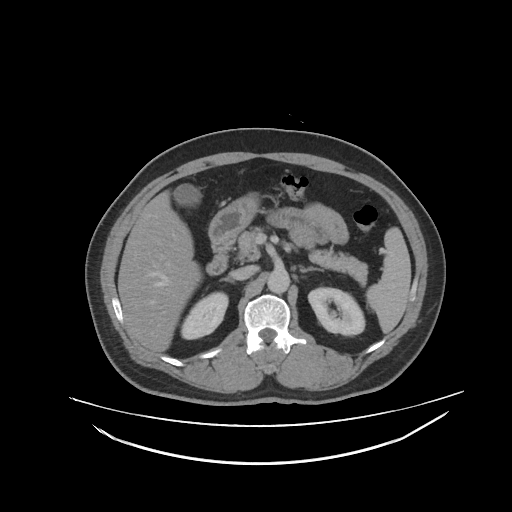
Abdominal CT · axial view · W/L 400/40 HU
{"organs":{"spleen":[366,229,411,333],"right kidney":[181,292,227,339],"left kidney":[308,287,365,335],"gall bladder":[172,184,200,203],"liver":[117,190,203,352],"stomach":[209,194,256,238],"aorta":[267,269,290,293],"inferior vena cava":[234,265,258,278],"pancreas":[238,232,368,284],"right adrenal gland":[218,279,237,285],"left adrenal gland":[299,266,323,272],"duodenum":[205,236,236,274]}}